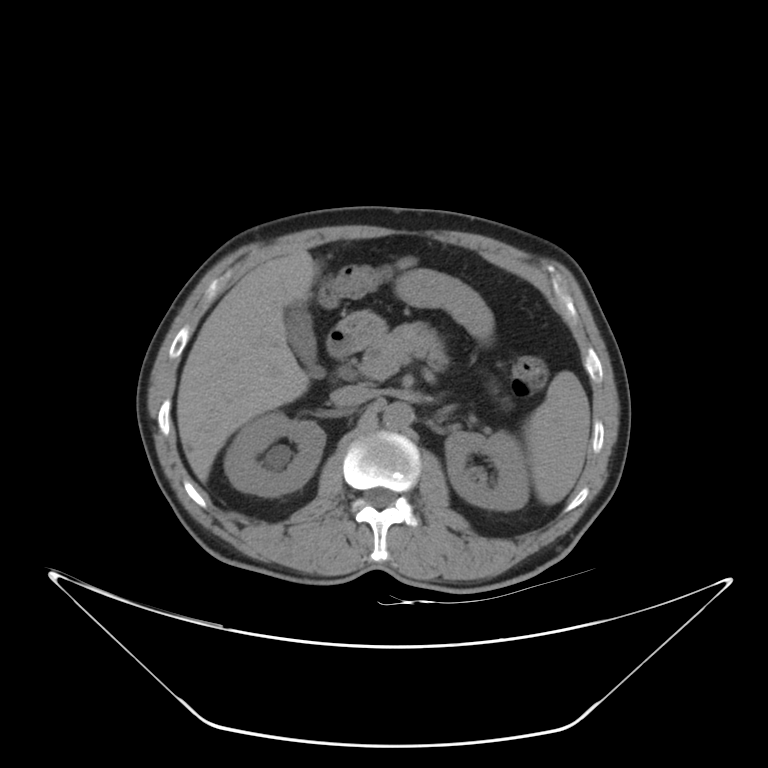 Abdominal CT · axial plane, index 66 · 59-year-old male patient
Boxes: x1 y1 x2 y2 (pixel coords, space-separated).
liver: 176 249 319 482
pancreas: 363 321 446 370
right kidney: 223 412 325 496
inferior vena cava: 330 384 375 406
duodenum: 326 326 362 357
aorta: 383 402 414 429
stomach: 339 311 386 346
spleen: 523 371 590 505
gall bladder: 284 303 324 377
left kidney: 444 430 528 510